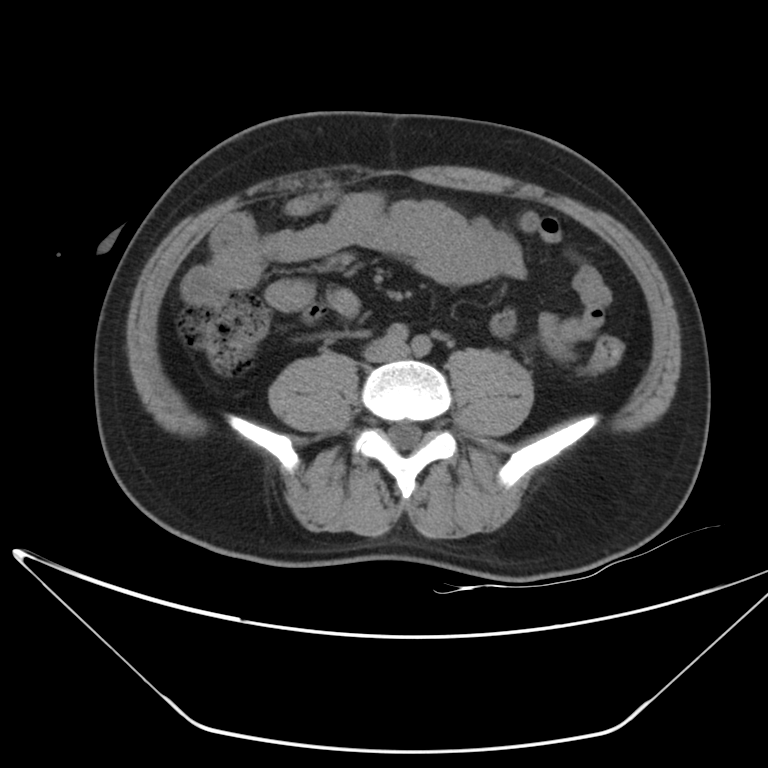

Computed tomography, abdomen; axial view; 42-year-old male patient
Coordinates as <box>x1,y1,x2,y2</box> in pixels.
inferior vena cava: <box>365,338,407,361</box>